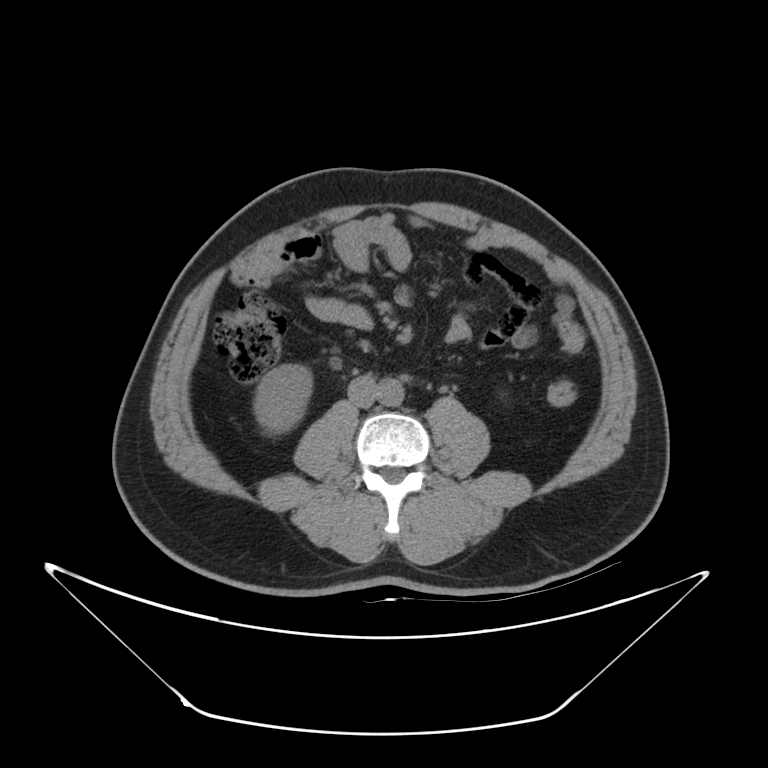 CT, abdomen/pelvis — Axial slice 48/82 — W/L 400/40 HU — 768x768 px
{"organs":{"right kidney":[253,364,312,433],"aorta":[377,378,403,407],"inferior vena cava":[348,375,377,407]}}